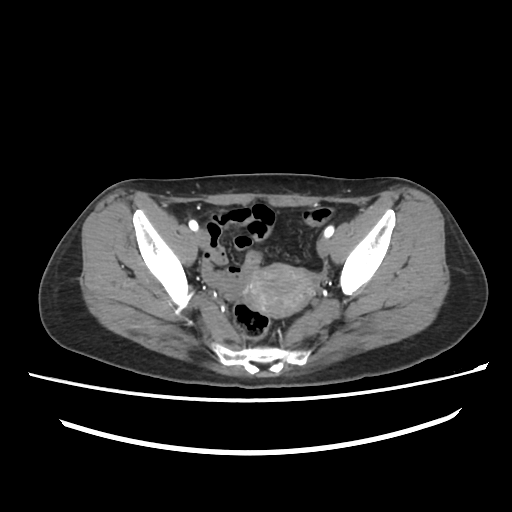

Abdominal CT · axial view · soft-tissue window · scan has 15 labeled organs (a whole-scan count: organs this slice does not pass through have no box)
Boxes: x1 y1 x2 y2 (pixel coords, space-separated). 1 labeled organ on this slice — prostate/uterus at 242 263 311 317.